Computed tomography, abdomen. axial plane, index 65. soft-tissue window. 25-year-old male patient
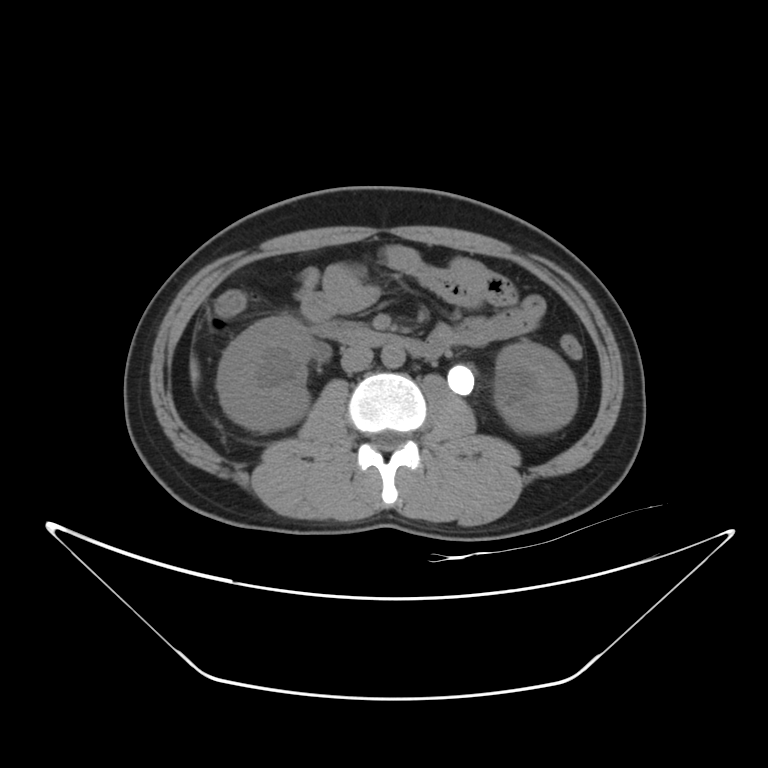

Boxes: x1 y1 x2 y2 (pixel coords, space-separated). 6 labeled organs on this slice — inferior vena cava at 341 345 373 372; aorta at 381 346 404 368; liver at 188 355 199 386; left kidney at 493 341 577 433; duodenum at 309 322 425 357; right kidney at 217 316 313 431.